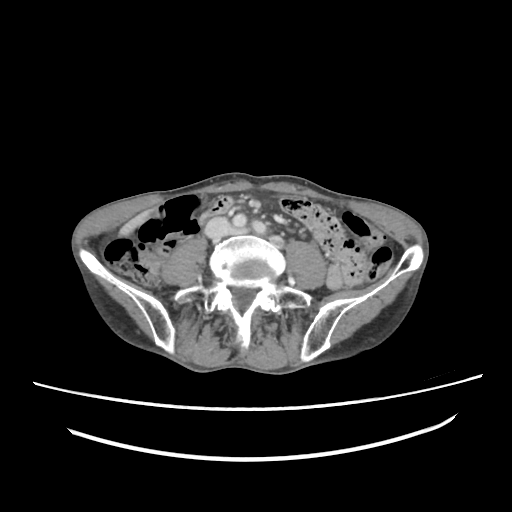 CT abdomen; Axial slice 39/79; W/L 400/40 HU; 512x512 px; 59-year-old male patient
<organs><organ name="duodenum" x1="197" y1="195" x2="233" y2="224"/><organ name="liver" x1="121" y1="211" x2="149" y2="234"/></organs>